Computed tomography, abdomen · axial plane, index 225 · W/L 400/40 HU · 512x512 px · 15 organs annotated in this scan (that count is for the whole scan; organs this slice misses have no box)
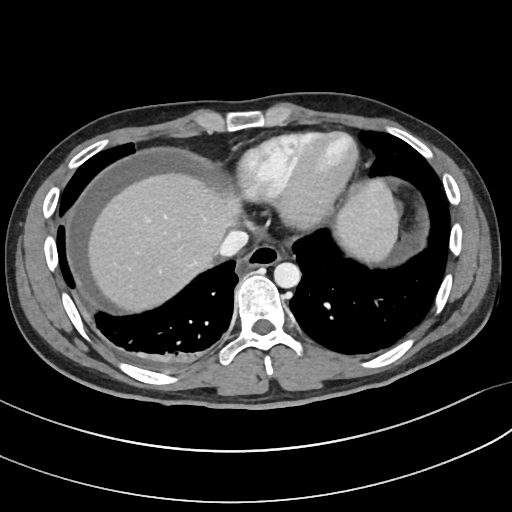

Each box given as x1,y1,x2,y2.
Organ bounding boxes:
- inferior vena cava: x1=219, y1=231, x2=247, y2=256
- aorta: x1=273, y1=262, x2=300, y2=288
- esophagus: x1=236, y1=244, x2=281, y2=274
- stomach: x1=377, y1=204, x2=400, y2=261
- liver: x1=88, y1=171, x2=389, y2=312